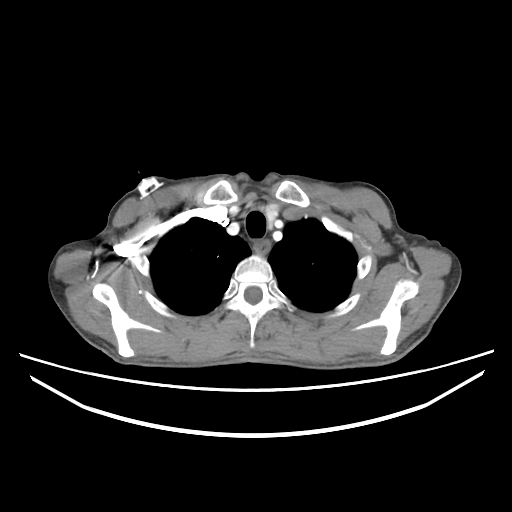
Chest-level CT slice, above the liver and spleen · axial view · soft-tissue window (W 400 / L 40) · 512x512 px · 50-year-old male patient
At this level of the chest no structure but the esophagus and the aorta has a label in this dataset, and those two are boxed only where they are labeled.
{"organs":{"esophagus":[254,241,269,254]}}